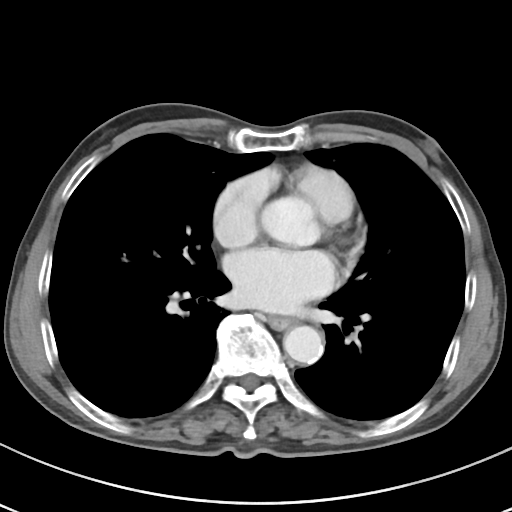
Chest-level slice from an abdominal CT that extends up into the chest — Axial slice 87/122 — 15 organs annotated in this scan (that count is for the whole scan; organs this slice misses have no box)
At this level of the chest no structure but the esophagus and the aorta has a label in this dataset, and those two are boxed only where they are labeled.
<organs><organ name="esophagus" x1="266" y1="316" x2="294" y2="329"/><organ name="aorta" x1="283" y1="325" x2="323" y2="364"/></organs>